Computed tomography, abdomen; Axial slice 28/207; 15 organs annotated in this scan (that count is for the whole scan; organs this slice misses have no box)
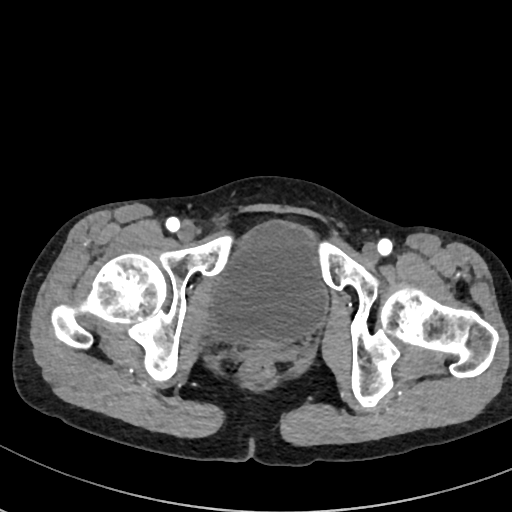
Boxes: x1:y1:x2:y2 in pixels. 1 labeled organ on this slice — bladder at 204:222:329:347.